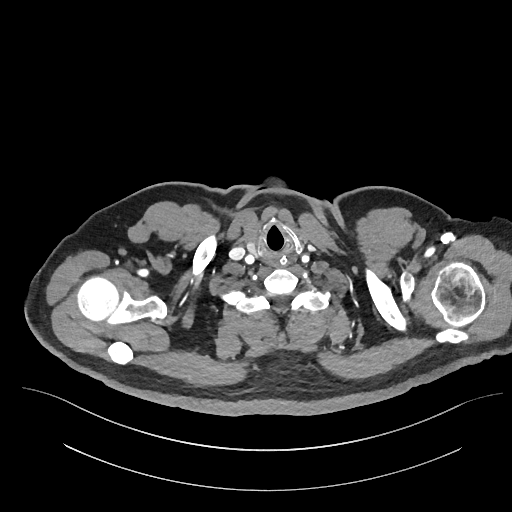 Chest-level slice from an abdominal CT that extends up into the chest; Axial slice 329/333; soft-tissue window, W/L 400/40; 15 organs annotated in this scan (a whole-scan count: organs this slice does not pass through have no box)
At this level of the chest no structure but the esophagus and the aorta has a label in this dataset, and those two are boxed only where they are labeled.
Each box given as x1,y1,x2,y2.
esophagus: x1=267, y1=255, x2=290, y2=266